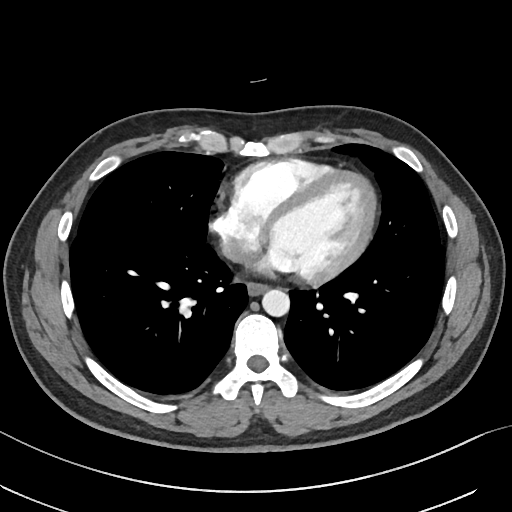 CT of the abdomen reaching into the lower chest, slice just above the liver and spleen · axial view · soft-tissue window (W 400 / L 40) · 512x512 px
No part of the heart or lungs is labeled in this dataset, so neither has a box here.
<organs><organ name="inferior vena cava" x1="221" y1="236" x2="255" y2="265"/><organ name="esophagus" x1="247" y1="281" x2="268" y2="294"/><organ name="aorta" x1="262" y1="288" x2="289" y2="315"/></organs>